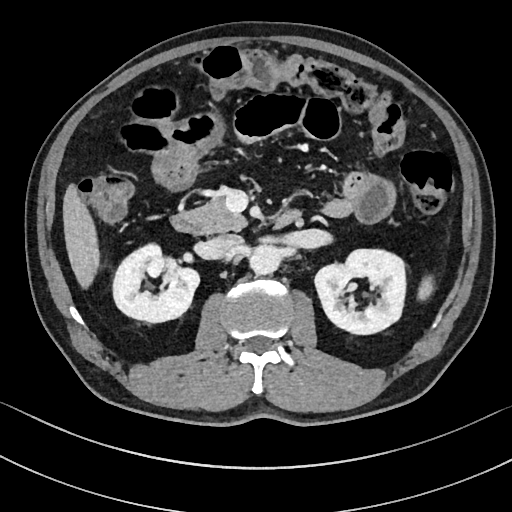

CT, abdomen/pelvis; axial view; 512x512 px
Bounding boxes as [x1, y1, x2, y2] in pixel coordinates.
Organ bounding boxes:
- spleen: [419, 278, 431, 299]
- right kidney: [112, 243, 198, 322]
- left kidney: [313, 247, 406, 333]
- liver: [63, 186, 99, 286]
- aorta: [250, 244, 280, 273]
- inferior vena cava: [209, 235, 244, 259]
- pancreas: [185, 199, 247, 231]
- duodenum: [171, 211, 300, 234]